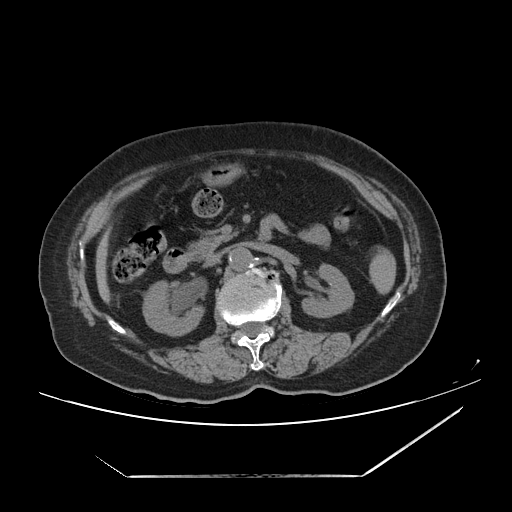
CT abdomen — axial view — 512x512 px
Organ boxes in pixel coordinates; each row gives the top-left (x1, y1) and bottom-right (x2, y2) corners.
| organ | x1 | y1 | x2 | y2 |
|---|---|---|---|---|
| duodenum | 163 | 248 | 193 | 272 |
| liver | 95 | 228 | 110 | 303 |
| right kidney | 142 | 280 | 204 | 335 |
| aorta | 229 | 247 | 252 | 271 |
| left kidney | 302 | 264 | 354 | 317 |
| spleen | 369 | 248 | 396 | 294 |
| pancreas | 188 | 232 | 234 | 258 |
| stomach | 202 | 163 | 242 | 186 |
| inferior vena cava | 204 | 250 | 224 | 266 |